CT abdomen — axial view — 512x512 px
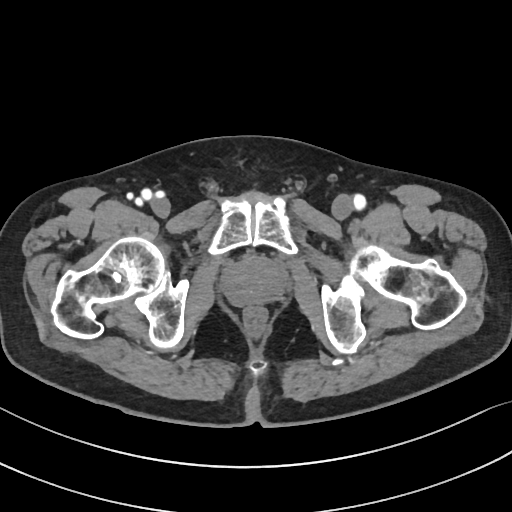 <organs><organ name="prostate/uterus" x1="223" y1="258" x2="285" y2="304"/></organs>